CT abdomen; Axial slice 58/100
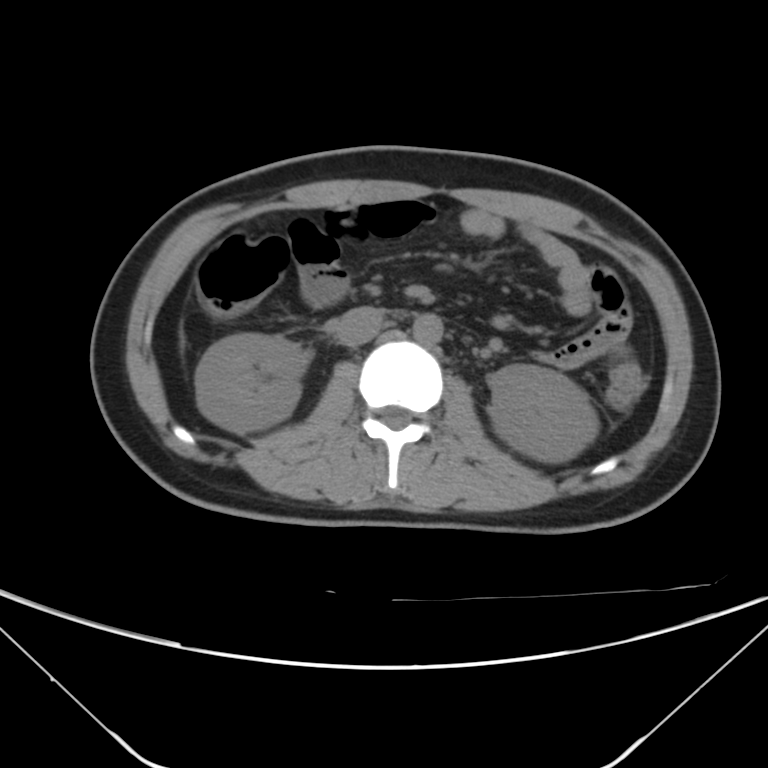 Boxes: x1 y1 x2 y2 (pixel coords, space-separated).
Organ bounding boxes:
- right kidney: 195 334 308 433
- left kidney: 488 364 598 463
- aorta: 413 312 443 344
- inferior vena cava: 335 306 383 346